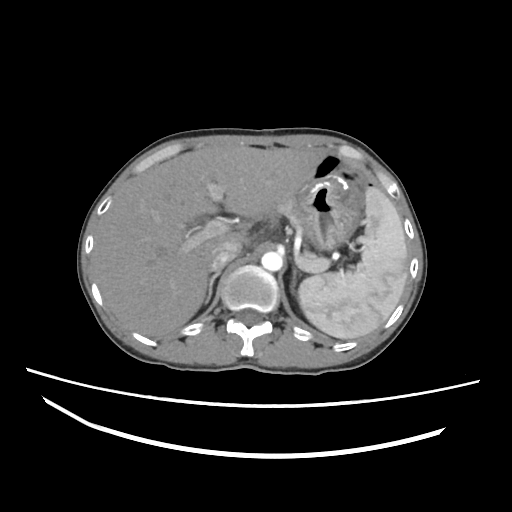

CT abdomen; Axial slice 81/140; 40-year-old male patient; 15 organs annotated in this scan (counted over the whole 3D scan, not this slice; an organ is boxed only where this slice passes through it)
<organs><organ name="spleen" x1="299" y1="187" x2="407" y2="338"/><organ name="liver" x1="91" y1="145" x2="325" y2="337"/><organ name="stomach" x1="295" y1="175" x2="360" y2="249"/><organ name="aorta" x1="261" y1="251" x2="282" y2="271"/><organ name="inferior vena cava" x1="209" y1="240" x2="242" y2="270"/><organ name="pancreas" x1="276" y1="198" x2="315" y2="256"/><organ name="right adrenal gland" x1="204" y1="270" x2="220" y2="304"/><organ name="left adrenal gland" x1="291" y1="266" x2="298" y2="290"/></organs>